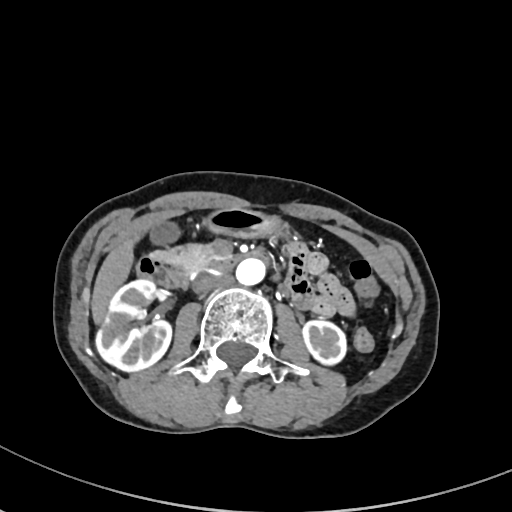
CT, abdomen/pelvis; axial view; 512x512 px; SOMATOM Force scanner
Bounding boxes as [x1, y1, x2, y2] in pixel coordinates.
Organ bounding boxes:
- right kidney: [95, 279, 171, 372]
- left kidney: [302, 320, 346, 365]
- gall bladder: [150, 221, 179, 244]
- liver: [91, 231, 140, 323]
- stomach: [202, 208, 283, 236]
- aorta: [236, 259, 264, 285]
- inferior vena cava: [192, 273, 227, 293]
- pancreas: [151, 244, 218, 273]
- duodenum: [136, 249, 268, 287]